CT, abdomen/pelvis — axial plane, index 192 — soft-tissue window (W 400 / L 40) — 512x512 px — SOMATOM Force scanner — scan has 14 labeled organs (that count is for the whole scan; organs this slice misses have no box)
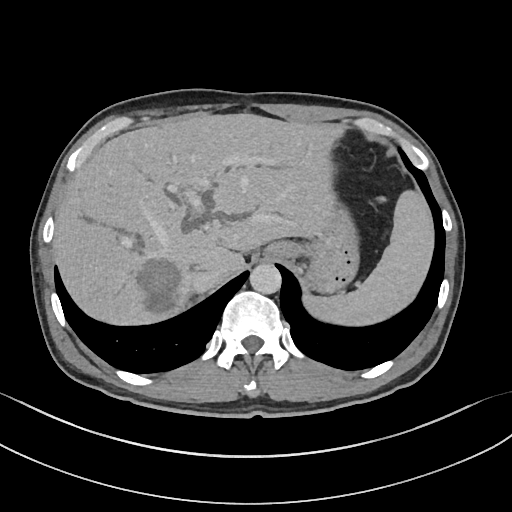

Box edges are left/top/right/bottom in pixels. 6 labeled organs on this slice — spleen at left=301, top=192, right=432, bottom=324; esophagus at left=262, top=242, right=289, bottom=259; aorta at left=249, top=263, right=281, bottom=294; inferior vena cava at left=190, top=267, right=217, bottom=292; liver at left=53, top=114, right=345, bottom=323; stomach at left=287, top=211, right=358, bottom=291.